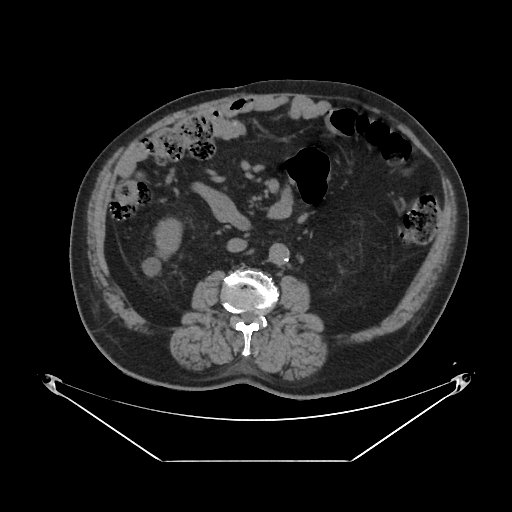
Computed tomography, abdomen · Axial slice 195/353
Each box given as x1,y1,x2,y2.
right kidney: x1=154, y1=218, x2=181, y2=259
aorta: x1=269, y1=243, x2=289, y2=264
inferior vena cava: x1=227, y1=238, x2=247, y2=252
duodenum: x1=195, y1=183, x2=250, y2=231